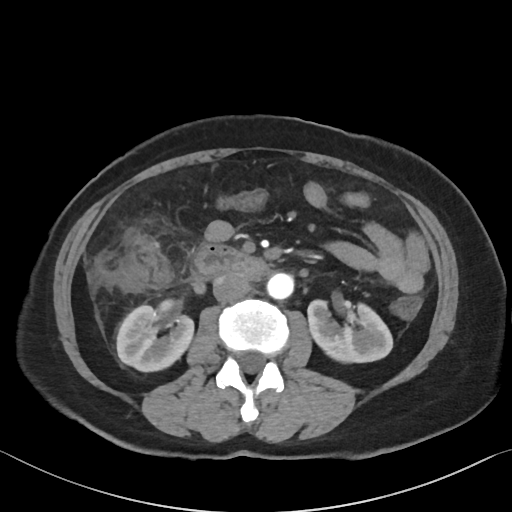

Abdominal CT. axial view
Organ boxes in pixel coordinates; each row gives the top-left (x1, y1) and bottom-right (x2, y2) corners.
| organ | x1 | y1 | x2 | y2 |
|---|---|---|---|---|
| aorta | 267 | 273 | 293 | 299 |
| left kidney | 307 | 300 | 392 | 362 |
| right kidney | 117 | 305 | 193 | 371 |
| duodenum | 190 | 244 | 266 | 279 |
| inferior vena cava | 213 | 273 | 250 | 302 |